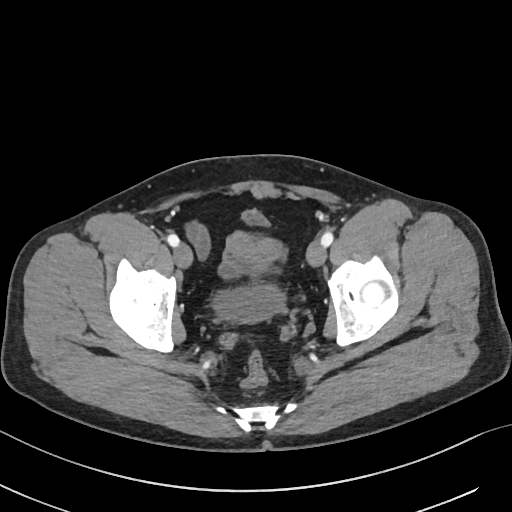
Computed tomography, abdomen · axial view
{"organs":{"bladder":[215,210,285,322]}}